Computed tomography, abdomen. axial view. 63-year-old female patient. scan has 15 labeled organs (that count is for the whole scan; organs this slice misses have no box)
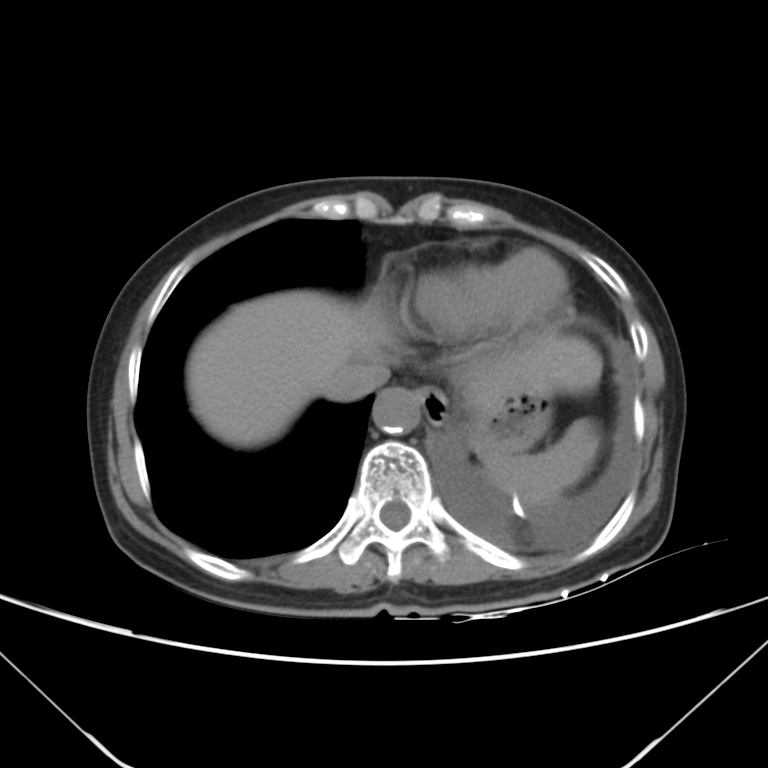 Boxes: x1:y1:x2:y2 in pixels.
spleen: 478:419:599:505
esophagus: 415:386:449:425
liver: 187:290:601:446
stomach: 462:389:547:451
aorta: 372:387:421:434
inferior vena cava: 326:360:388:400